CT abdomen. axial plane, index 93. soft-tissue window (W 400 / L 40). 512x512 px. acquired on Aquilion ONE
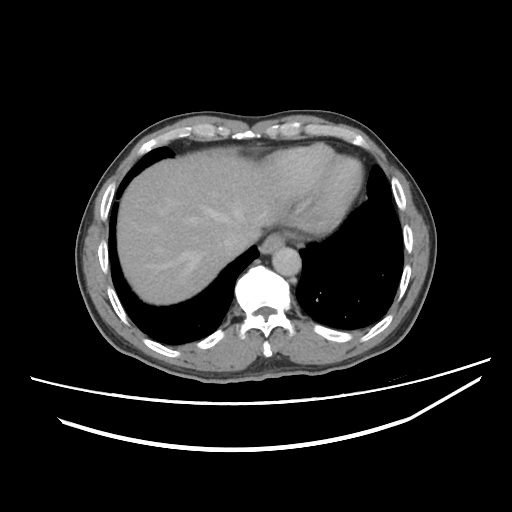 Boxes: x1:y1:x2:y2 in pixels.
Organ bounding boxes:
- esophagus: 258:234:282:254
- liver: 117:149:301:304
- aorta: 272:245:301:276
- inferior vena cava: 222:234:249:260